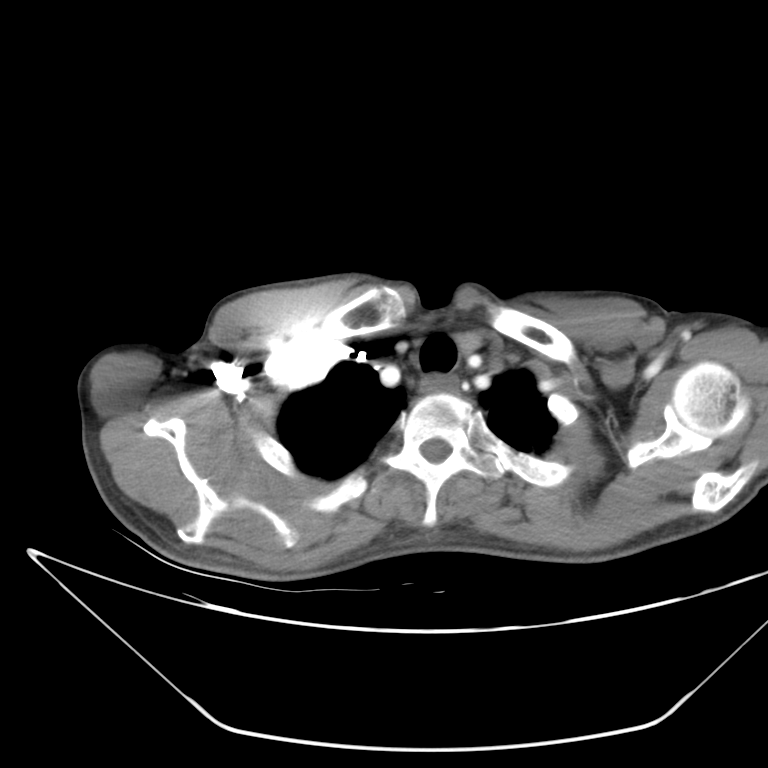
Chest-level CT slice, above the liver and spleen; Axial slice 98/103; soft-tissue window
At this level of the chest no structure but the esophagus and the aorta has a label in this dataset, and those two are boxed only where they are labeled. Box edges are left/top/right/bottom in pixels. Labeled organs on this slice: esophagus at left=419, top=376, right=459, bottom=394.